Computed tomography, abdomen — Axial slice 81/100 — 512x512 px — 71-year-old female patient — 15 organs annotated in this scan (a whole-scan count: organs this slice does not pass through have no box)
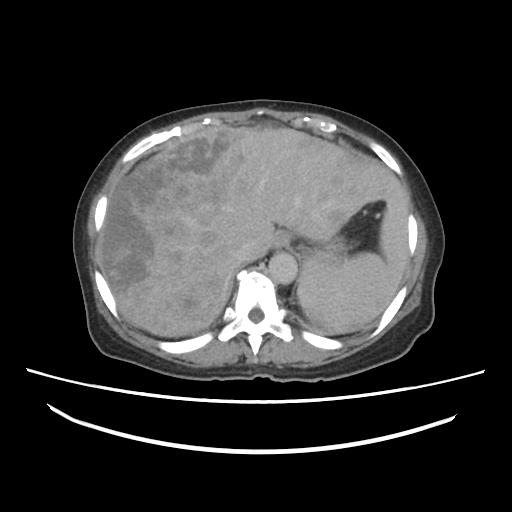 {"organs":{"liver":[101,128,409,335],"spleen":[298,223,399,333],"esophagus":[274,232,290,248],"stomach":[303,236,350,272],"inferior vena cava":[234,238,252,260],"aorta":[268,252,296,283]}}